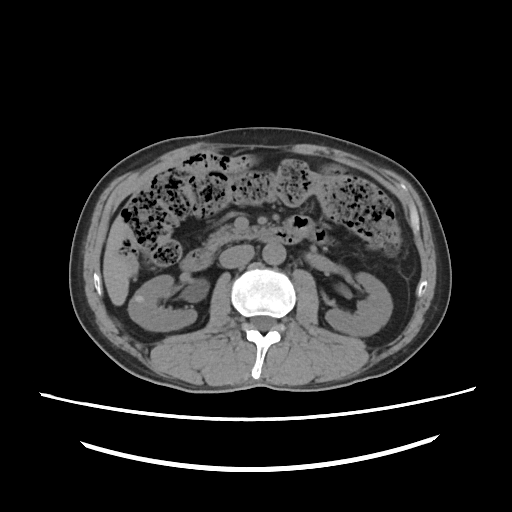
CT abdomen; axial view; soft-tissue window (W 400 / L 40)
<organs><organ name="aorta" x1="262" y1="244" x2="284" y2="264"/><organ name="right kidney" x1="128" y1="276" x2="196" y2="333"/><organ name="left kidney" x1="324" y1="272" x2="393" y2="335"/><organ name="pancreas" x1="203" y1="223" x2="258" y2="249"/><organ name="inferior vena cava" x1="220" y1="244" x2="254" y2="268"/><organ name="duodenum" x1="180" y1="215" x2="313" y2="273"/><organ name="liver" x1="103" y1="218" x2="127" y2="304"/></organs>